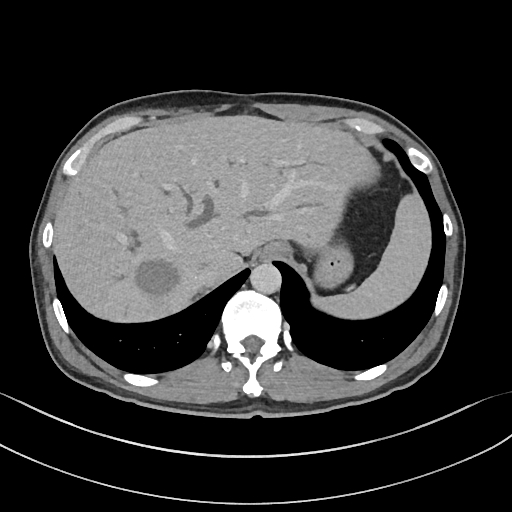
CT abdomen; axial view; 512x512 px
Each box given as x1,y1,x2,y2.
spleen: x1=310, y1=193, x2=432, y2=317
esophagus: x1=262, y1=242, x2=290, y2=259
liver: x1=53, y1=114, x2=378, y2=323
stomach: x1=314, y1=243, x2=352, y2=288
aorta: x1=249, y1=263, x2=281, y2=294
inferior vena cava: x1=190, y1=267, x2=217, y2=292